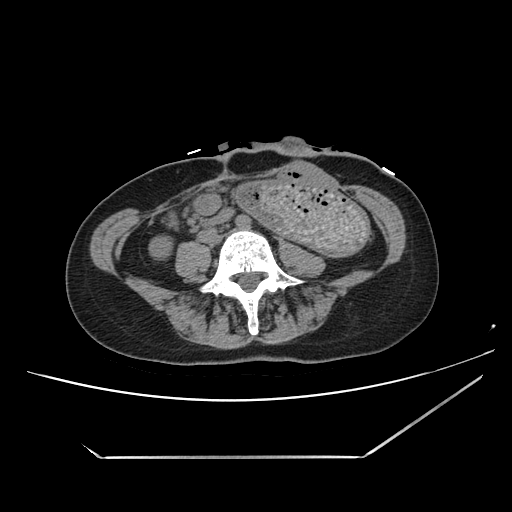 Computed tomography, abdomen · axial view · 512x512 px
{"organs":{"right kidney":[150,237,173,258],"stomach":[238,179,368,256]}}